Abdominal CT · Axial slice 15/96 · 512x512 px · 45-year-old male patient
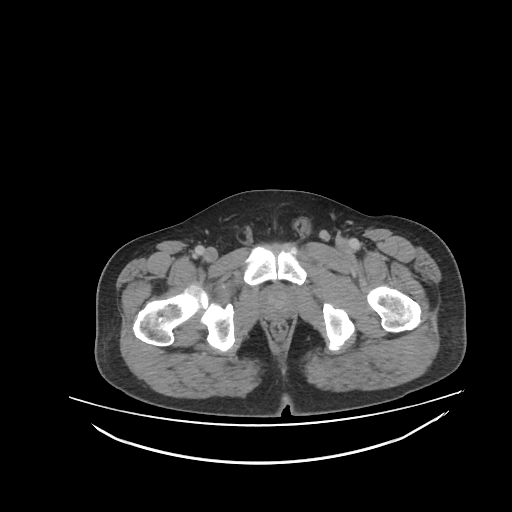

<organs><organ name="prostate/uterus" x1="263" y1="288" x2="293" y2="316"/></organs>